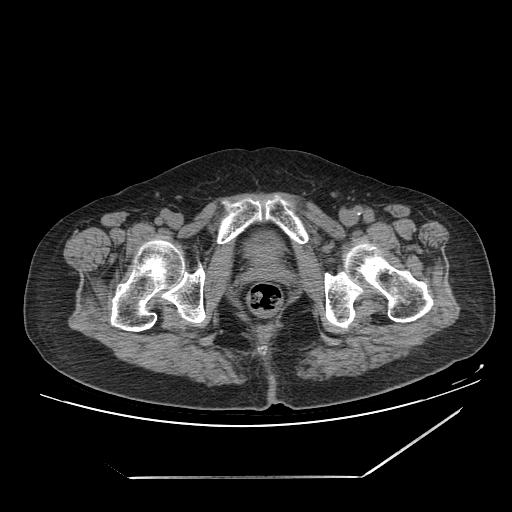 CT, abdomen/pelvis · axial view · W/L 400/40 HU
Boxes: x1:y1:x2:y2 in pixels.
Organ bounding boxes:
- bladder: 246:234:280:254